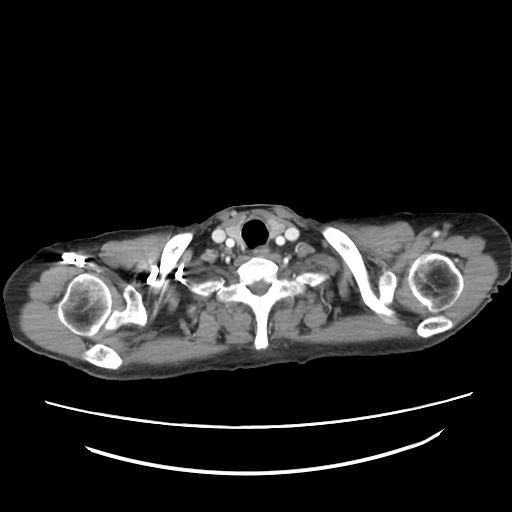

CT of the abdomen extending into the chest, slice through the chest. axial view. 68-year-old male patient
At this level of the chest this dataset labels only the esophagus and the aorta, and each is boxed only where it is labeled; the heart and lungs are never labeled. Boxes are (x1, y1, x2, y2) in pixels. Labeled organs on this slice: esophagus at (253, 247, 268, 255).